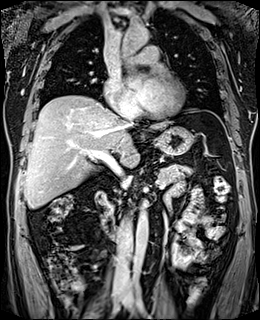

Magnetic resonance imaging, abdomen — coronal plane, index 71 — 13 organs annotated in this scan (a whole-scan count: organs this slice does not pass through have no box)
One row per box, in pixels: columns x1 and y1 give the top-left corner, x2 and y2 the bottom-right.
| organ | x1 | y1 | x2 | y2 |
|---|---|---|---|---|
| liver | 24 | 95 | 171 | 208 |
| stomach | 154 | 126 | 192 | 155 |
| aorta | 132 | 203 | 148 | 282 |
| aorta | 120 | 24 | 148 | 48 |
| inferior vena cava | 113 | 216 | 132 | 282 |
| inferior vena cava | 118 | 103 | 136 | 124 |
| pancreas | 108 | 164 | 192 | 207 |
| duodenum | 95 | 191 | 117 | 240 |